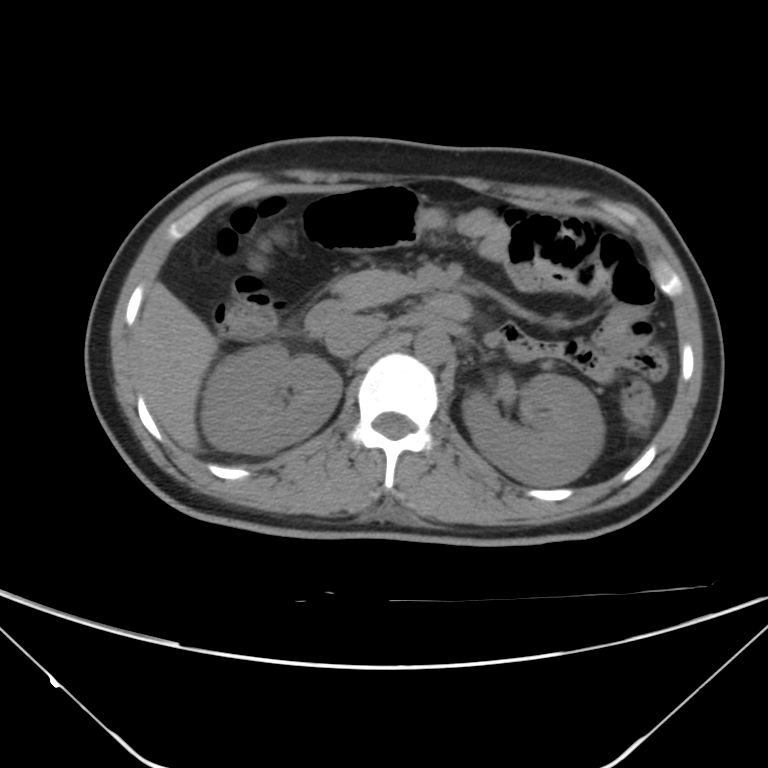
Abdominal CT; axial view; 24-year-old male patient; Brilliance16 scanner; 15 organs annotated in this scan (that count is for the whole scan; organs this slice misses have no box)
Boxes are (x1, y1, x2, y2) in pixels.
inferior vena cava: (325, 316, 383, 357)
pancreas: (332, 270, 416, 308)
right kidney: (200, 343, 341, 453)
liver: (135, 283, 219, 451)
left kidney: (462, 373, 604, 486)
aorta: (415, 327, 451, 363)
duodenum: (304, 295, 471, 336)